CT abdomen; Axial slice 76/128
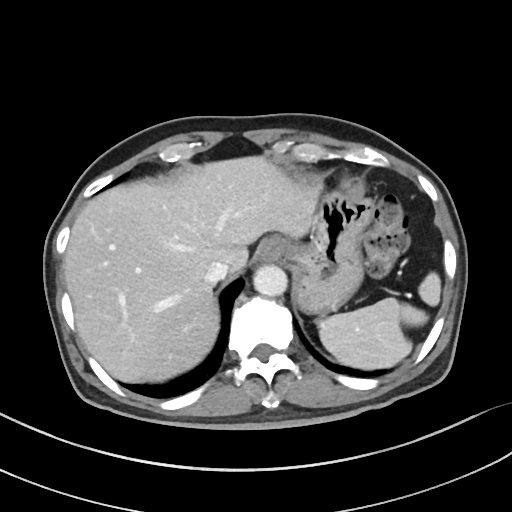 {"organs":{"spleen":[318,272,441,369],"esophagus":[257,236,288,263],"liver":[64,156,320,382],"stomach":[290,190,373,313],"aorta":[253,264,287,296],"inferior vena cava":[205,260,229,283]}}